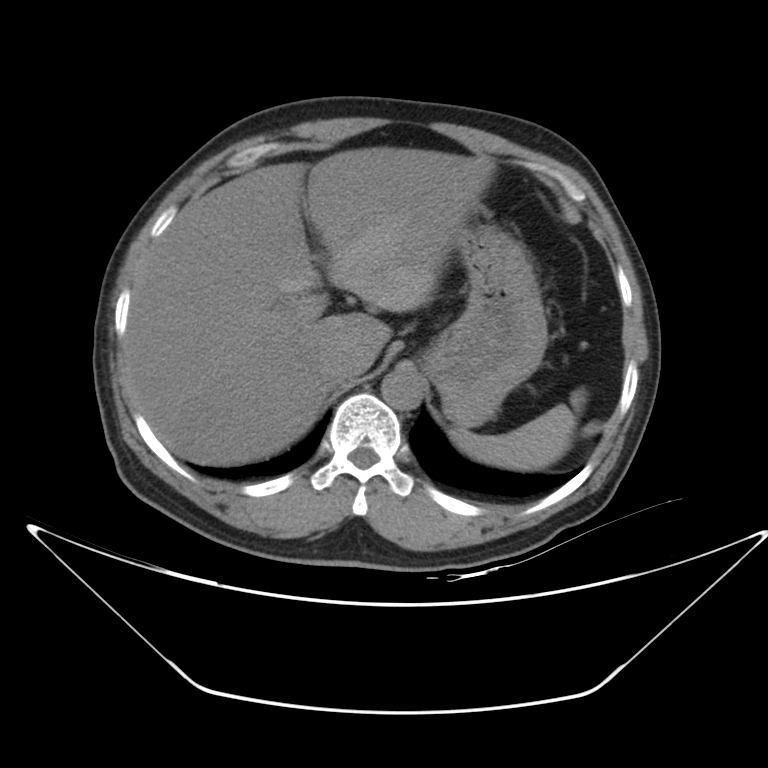 CT abdomen · Axial slice 81/87 · 768x768 px
Boxes: x1 y1 x2 y2 (pixel coords, space-separated).
Organ bounding boxes:
- spleen: 452 388 586 471
- liver: 125 146 493 465
- stomach: 422 224 547 428
- aorta: 381 367 425 409
- inferior vena cava: 326 346 366 383